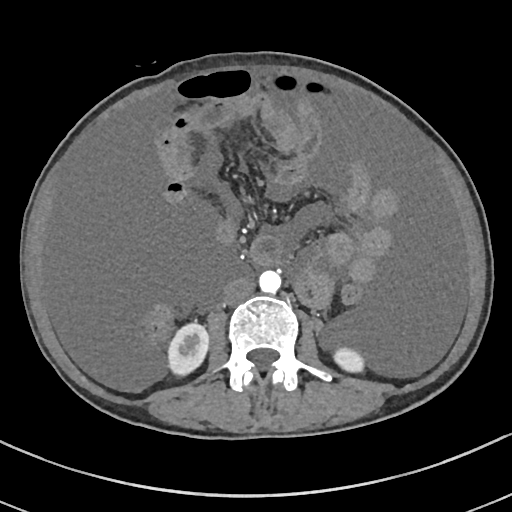
CT, abdomen/pelvis — axial view — SOMATOM Force scanner
Boxes: x1 y1 x2 y2 (pixel coords, space-separated).
Organ bounding boxes:
- right kidney: 168 324 208 374
- left kidney: 334 346 362 372
- aorta: 259 270 281 292
- inferior vena cava: 223 277 253 304